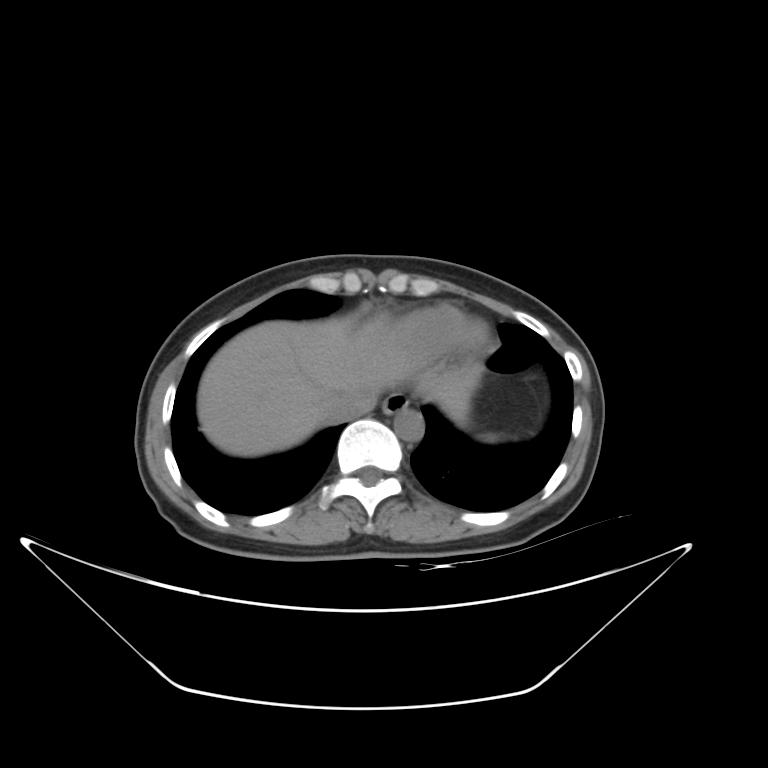

CT, abdomen/pelvis — axial plane, index 88 — soft-tissue window (W 400 / L 40) — 768x768 px
Bounding boxes as [x1, y1, x2, y2] in pixel coordinates. The annotated organs in this slice are: liver at [198, 317, 477, 456], aorta at [394, 407, 423, 440], esophagus at [381, 393, 408, 413], inferior vena cava at [322, 389, 375, 423].